CT abdomen — axial view — 768x768 px — 56-year-old male patient
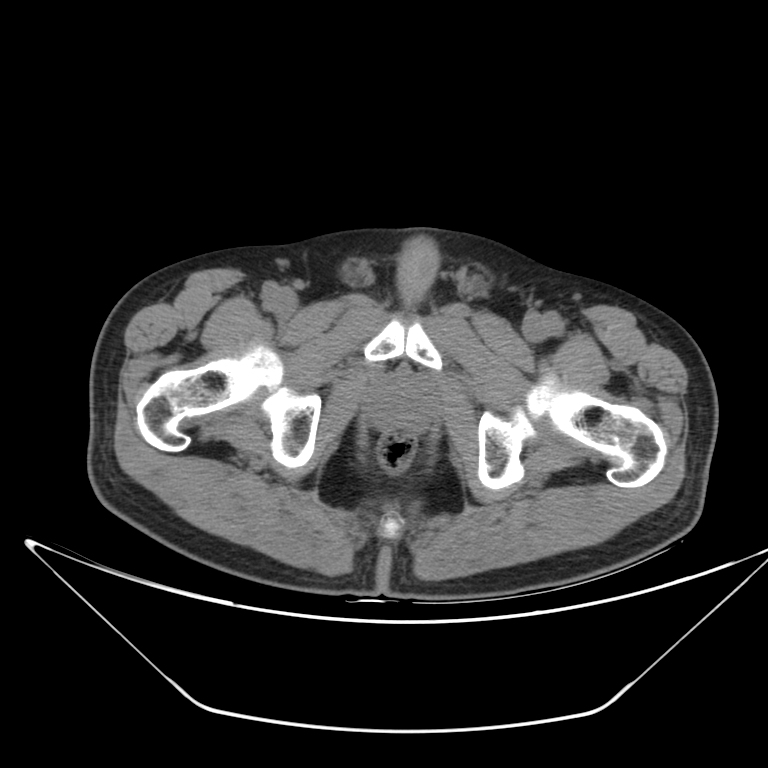
<organs><organ name="prostate/uterus" x1="367" y1="373" x2="435" y2="433"/></organs>